CT abdomen; axial view
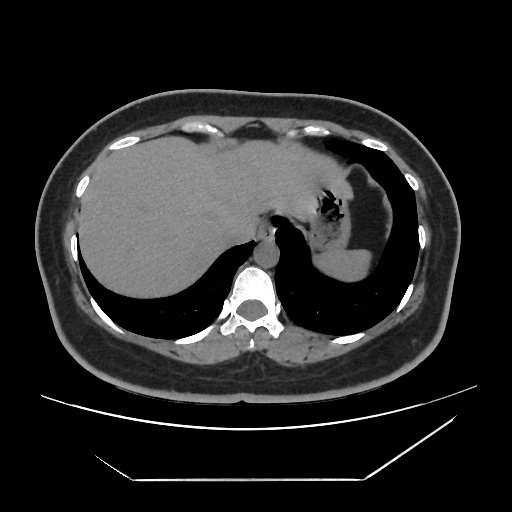
Boxes are (x1, y1, x2, y2) in pixels.
Organ bounding boxes:
- spleen: (314, 249, 371, 281)
- esophagus: (258, 222, 274, 240)
- liver: (79, 136, 353, 297)
- stomach: (308, 183, 350, 250)
- aorta: (254, 241, 279, 267)
- inferior vena cava: (221, 219, 258, 245)